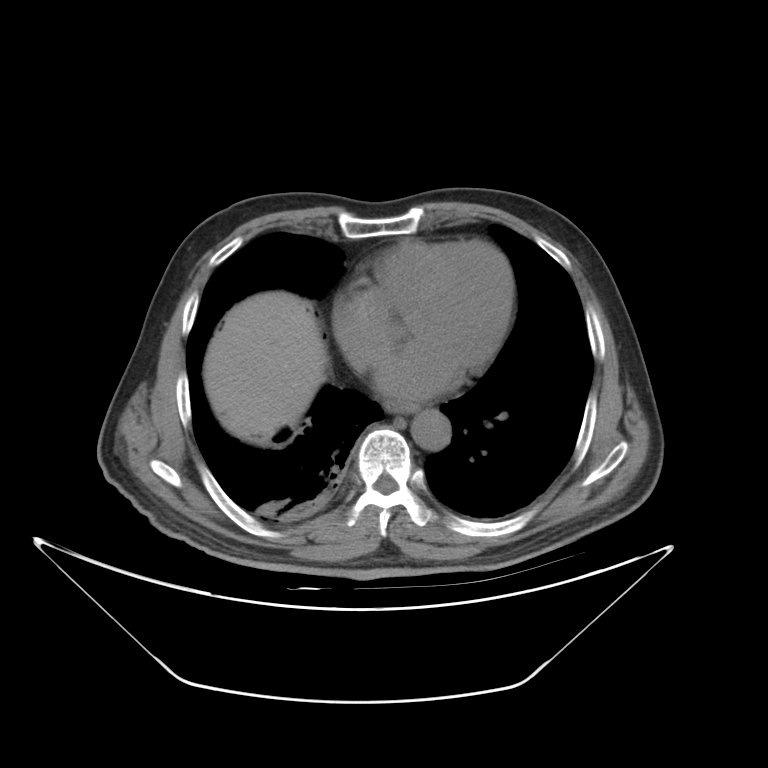 Abdominal CT. Axial slice 93/99. soft-tissue window. 768x768 px. 66-year-old male patient. acquired on Brilliance16. 15 organs annotated in this scan (a whole-scan count: organs this slice does not pass through have no box)
Boxes are (x1, y1, x2, y2) in pixels.
Organ bounding boxes:
- esophagus: (385, 399, 418, 412)
- liver: (204, 289, 327, 440)
- aorta: (412, 409, 450, 449)